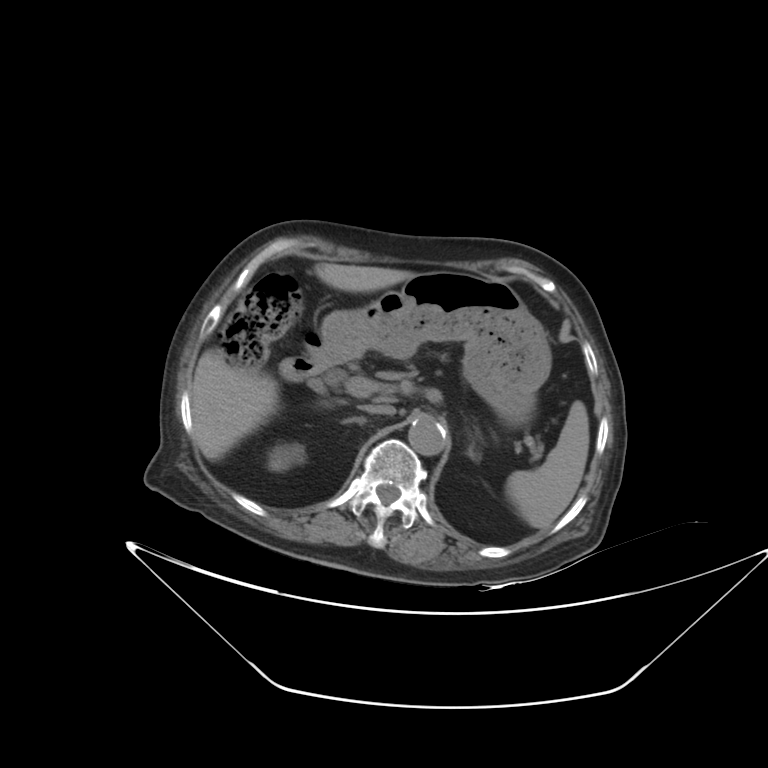
Abdominal CT; axial view; 768x768 px; Brilliance16 scanner
Boxes: x1:y1:x2:y2 in pixels.
right kidney: 267:447:300:471
inferior vena cava: 360:404:395:415
spleen: 506:401:589:528
aorta: 408:415:446:455
stomach: 320:271:551:427
right adrenal gland: 341:416:366:424
liver: 191:262:415:460
duodenum: 280:330:362:381
left adrenal gland: 467:446:480:461